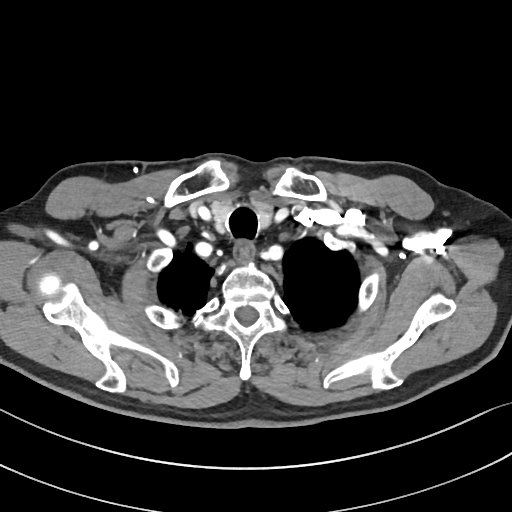 Chest-level slice from an abdominal CT that extends up into the chest; axial view; W/L 400/40 HU; 512x512 px; SOMATOM Force scanner; scan has 15 labeled organs (counted over the whole 3D scan, not this slice; an organ is boxed only where this slice passes through it)
On a slice this high in the chest, this dataset labels only the esophagus and the aorta, and each is boxed only where it is labeled; the heart, lungs and other chest structures are not labeled.
{"organs":{"esophagus":[235,241,254,261]}}